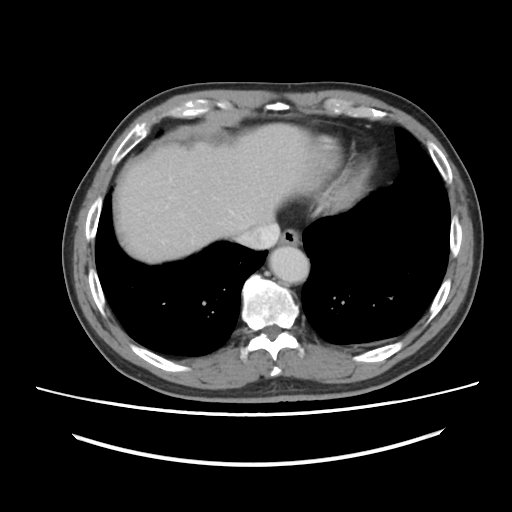

CT abdomen — axial view — scan has 14 labeled organs (counted over the whole 3D scan, not this slice; an organ is boxed only where this slice passes through it)
Each box given as x1,y1,x2,y2. 4 labeled organs on this slice — aorta at x1=269, y1=246, x2=309, y2=283; liver at x1=114, y1=123, x2=316, y2=263; esophagus at x1=280, y1=229, x2=299, y2=245; inferior vena cava at x1=235, y1=222, x2=279, y2=249.